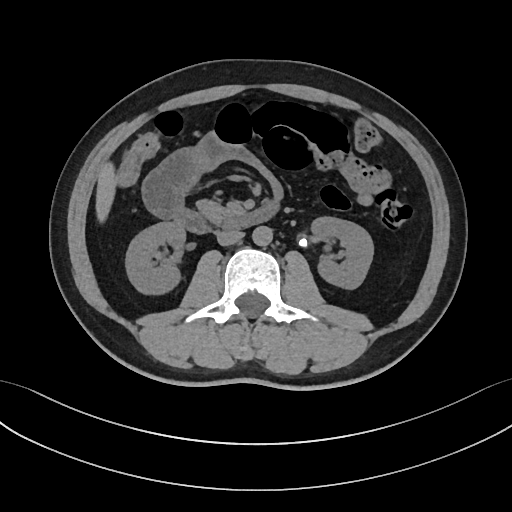

Abdominal CT. axial view. soft-tissue window. SOMATOM Force scanner
Coordinates as <box>x1,y1,x2,y2</box> in pixels.
right kidney: <box>126,221,185,295</box>
left kidney: <box>312,217,373,289</box>
liver: <box>95,161,115,222</box>
aorta: <box>252,226,272,246</box>
inferior vena cava: <box>216,230,243,245</box>
pancreas: <box>196,198,232,225</box>
duodenum: <box>172,198,280,233</box>